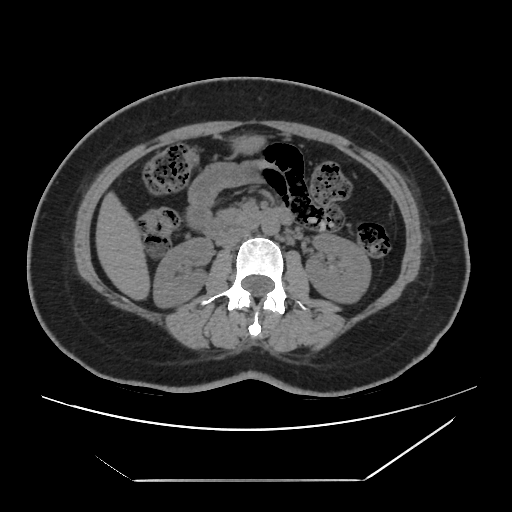
Computed tomography, abdomen. axial plane, index 196. 512x512 px
{"organs":{"duodenum":[206,208,287,241],"right kidney":[152,237,212,305],"left kidney":[306,232,371,300],"inferior vena cava":[217,227,254,247],"liver":[96,195,148,298],"aorta":[262,218,279,234],"stomach":[236,136,262,151],"pancreas":[220,210,244,218]}}